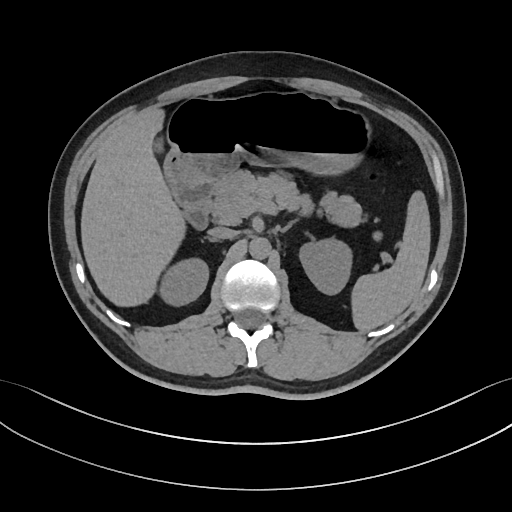 CT, abdomen/pelvis; axial view; soft-tissue window; 512x512 px
Boxes: x1 y1 x2 y2 (pixel coords, space-separated).
Organ bounding boxes:
- right kidney: 160 258 208 306
- left adrenal gland: 280 221 295 232
- stomach: 165 90 372 184
- pancreas: 211 170 365 227
- spleen: 351 190 430 331
- inferior vena cava: 208 227 236 237
- gall bladder: 155 142 163 150
- aorta: 249 237 270 259
- liver: 80 108 185 306
- duodenum: 170 179 214 229
- left kidney: 299 238 351 294